Computed tomography, abdomen. axial view. W/L 400/40 HU. 66-year-old male patient
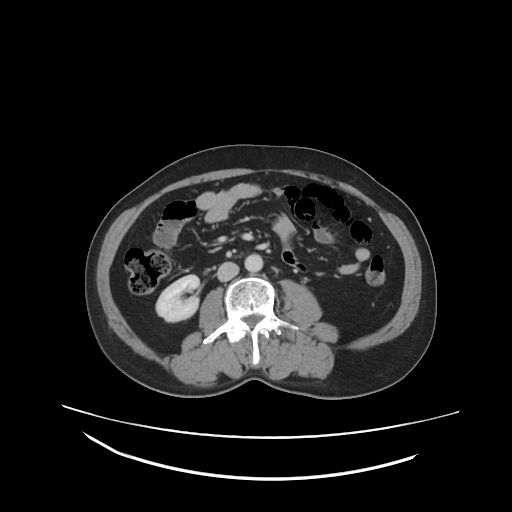

Bounding boxes in pixels, one row per box: x1, y1 is the top-left corner and x2, y2 the bottom-right.
| organ | x1 | y1 | x2 | y2 |
|---|---|---|---|---|
| aorta | 244 | 254 | 262 | 272 |
| right kidney | 155 | 274 | 200 | 321 |
| inferior vena cava | 217 | 262 | 238 | 281 |